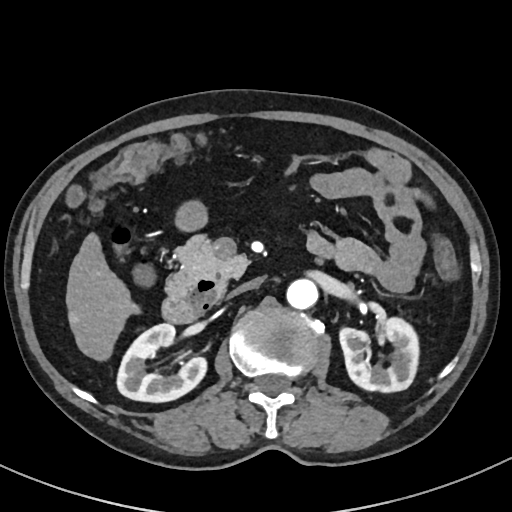

CT abdomen · Axial slice 152/303 · 512x512 px · SOMATOM Force scanner
{"organs":{"liver":[65,233,140,361],"duodenum":[162,279,222,323],"inferior vena cava":[229,279,261,296],"right kidney":[117,323,206,402],"left kidney":[339,317,419,392],"aorta":[286,279,318,309],"pancreas":[166,235,248,295]}}